Computed tomography, abdomen — axial plane, index 19 — 512x512 px — Aquilion ONE scanner
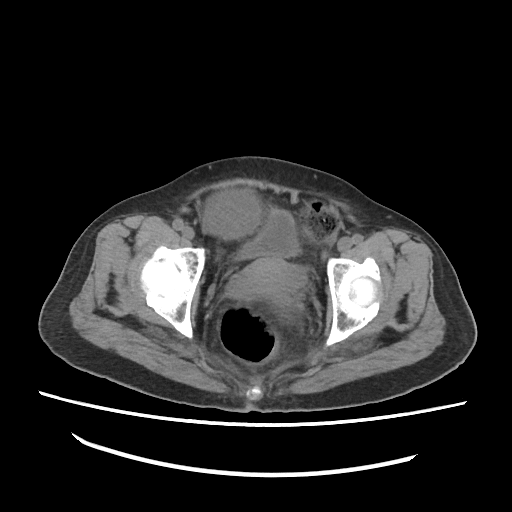

Box edges are left/top/right/bottom in pixels. The annotated organs in this slice are: bladder at left=238, top=210, right=300, bottom=259, prostate/uterus at left=227, top=256, right=308, bottom=298.